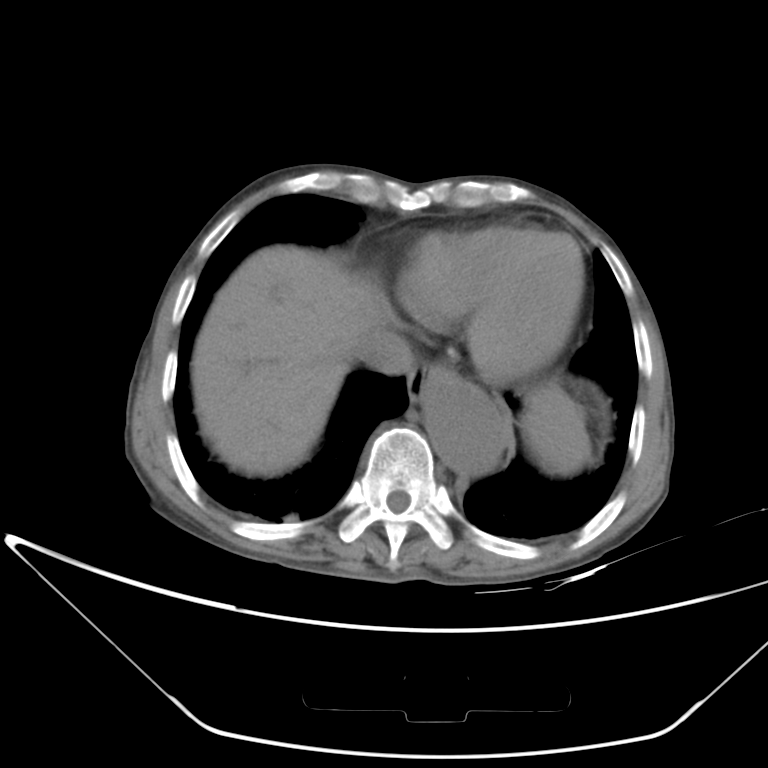

Computed tomography, abdomen; axial view; W/L 400/40 HU; 15 organs annotated in this scan (counted over the whole 3D scan, not this slice; an organ is boxed only where this slice passes through it)
Boxes: x1:y1:x2:y2 in pixels.
spleen: 521:390:590:473
esophagus: 408:362:454:405
liver: 192:245:385:476
aorta: 424:375:507:475
inferior vena cava: 354:326:413:374